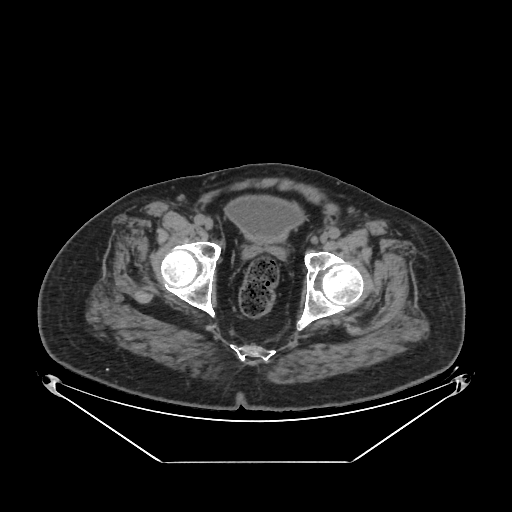

CT, abdomen/pelvis — Axial slice 47/353 — soft-tissue window (W 400 / L 40)
<organs><organ name="bladder" x1="225" y1="196" x2="303" y2="243"/></organs>